Abdominal CT. axial view
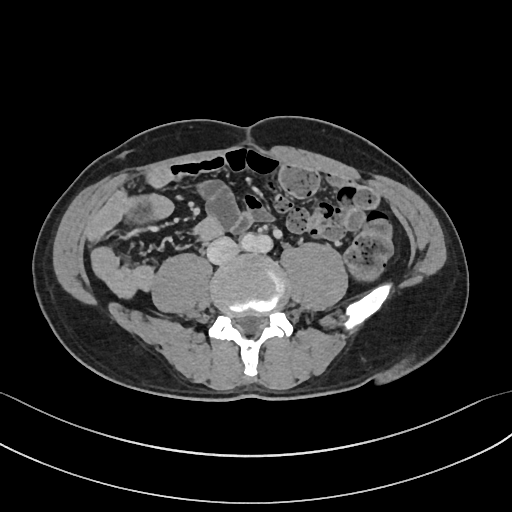

<organs><organ name="inferior vena cava" x1="206" y1="237" x2="238" y2="264"/></organs>